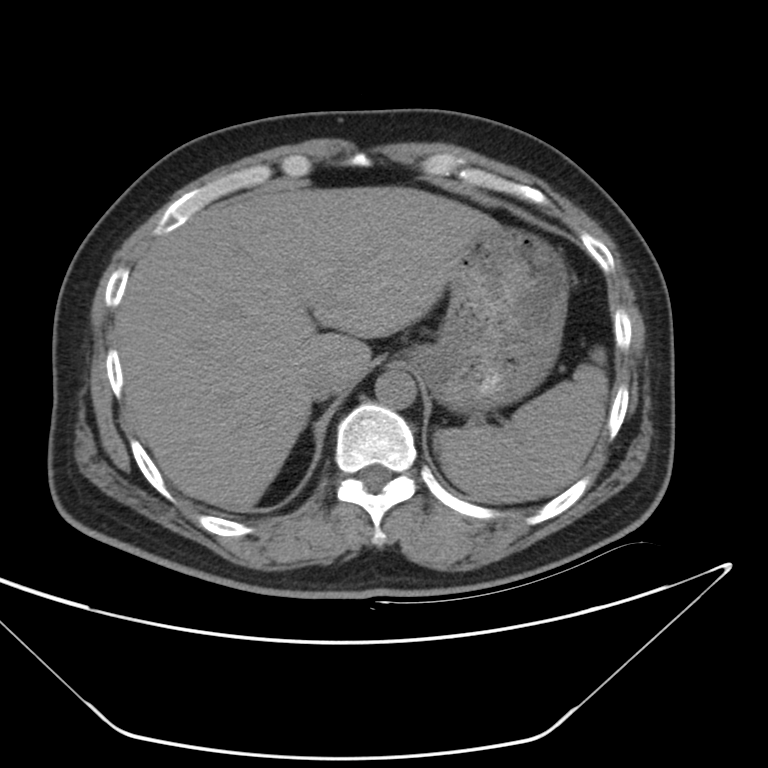 CT, abdomen/pelvis · Axial slice 86/103 · 14 organs annotated in this scan (a whole-scan count: organs this slice does not pass through have no box)
Box edges are left/top/right/bottom in pixels.
Organ bounding boxes:
- spleen: left=431, top=348, right=608, bottom=504
- liver: left=117, top=187, right=497, bottom=510
- stomach: left=403, top=224, right=568, bottom=417
- aorta: left=374, top=371, right=416, bottom=410
- inferior vena cava: left=304, top=367, right=341, bottom=402